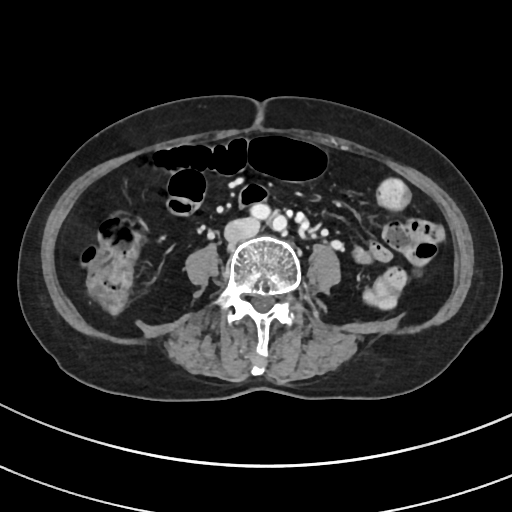
CT abdomen · axial view
<organs><organ name="inferior vena cava" x1="224" y1="218" x2="259" y2="239"/></organs>